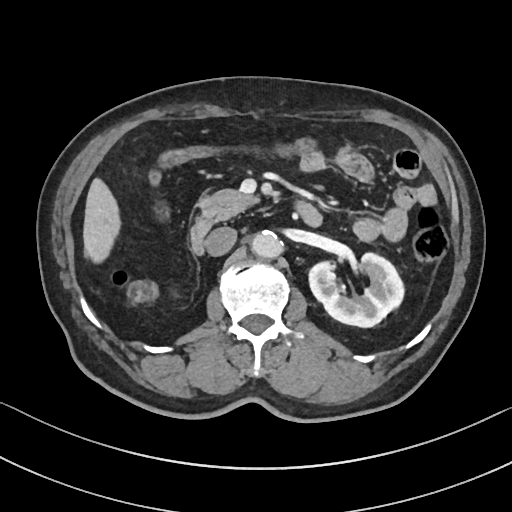
Abdominal CT · axial plane, index 154 · soft-tissue window (W 400 / L 40) · 512x512 px
<organs><organ name="left kidney" x1="309" y1="253" x2="404" y2="327"/><organ name="liver" x1="83" y1="178" x2="120" y2="263"/><organ name="aorta" x1="251" y1="230" x2="282" y2="258"/><organ name="inferior vena cava" x1="205" y1="227" x2="236" y2="256"/><organ name="pancreas" x1="198" y1="189" x2="258" y2="220"/><organ name="duodenum" x1="190" y1="200" x2="321" y2="254"/></organs>